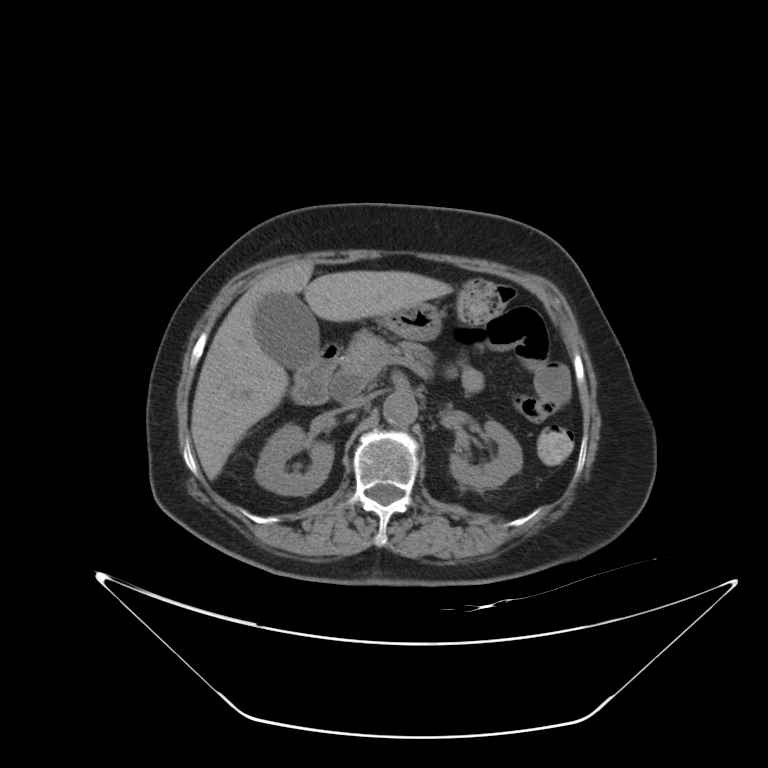 Computed tomography, abdomen · axial view · soft-tissue window · 768x768 px · scan has 15 labeled organs (a whole-scan count: organs this slice does not pass through have no box)
{"organs":{"right kidney":[255,425,334,495],"left kidney":[450,420,523,489],"gall bladder":[255,293,319,369],"liver":[190,261,452,479],"stomach":[380,302,442,341],"aorta":[383,391,417,426],"inferior vena cava":[341,397,365,411],"pancreas":[337,330,434,388],"duodenum":[290,343,340,405]}}